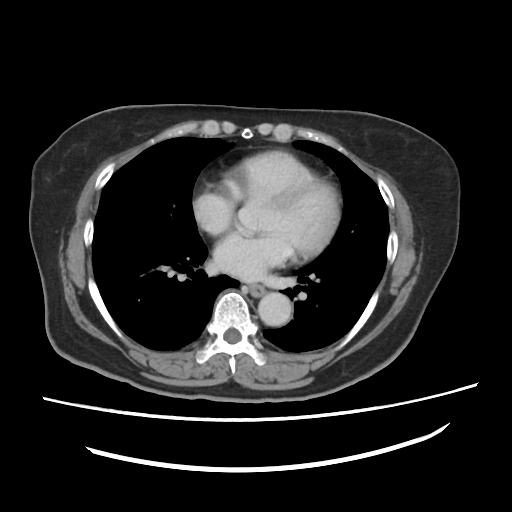
CT of the abdomen reaching into the lower chest, slice just above the liver and spleen. axial view. 14 organs annotated in this scan (a whole-scan count: organs this slice does not pass through have no box)
The heart and lungs are never labeled in this dataset, so they have no box on this slice.
{"organs":{"aorta":[258,292,292,325],"esophagus":[241,282,265,297]}}